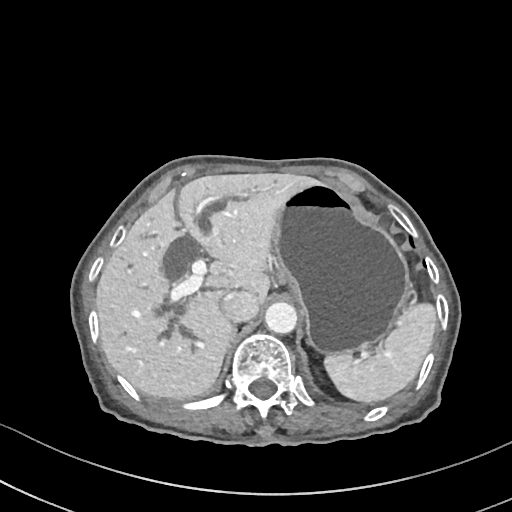
Abdominal CT. axial view. soft-tissue window. 15 organs annotated in this scan (counted over the whole 3D scan, not this slice; an organ is boxed only where this slice passes through it)
Boxes: x1:y1:x2:y2 in pixels. Labeled organs on this slice: spleen at 324:302:436:402, liver at 96:173:320:399, stomach at 272:182:411:356, aorta at 265:302:297:334, inferior vena cava at 221:291:258:322.